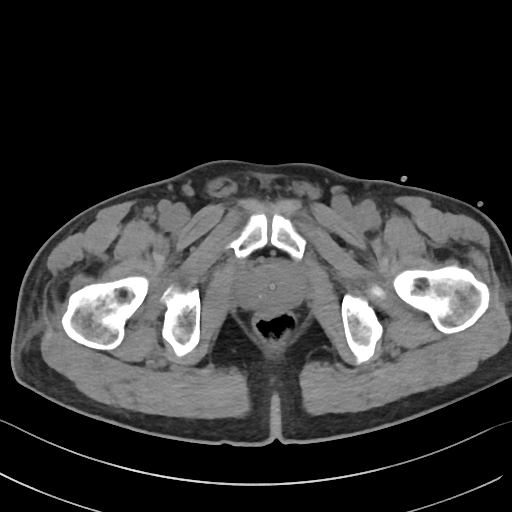

CT abdomen · Axial slice 5/100 · 512x512 px · acquired on SOMATOM Force
<organs><organ name="prostate/uterus" x1="240" y1="265" x2="300" y2="310"/></organs>